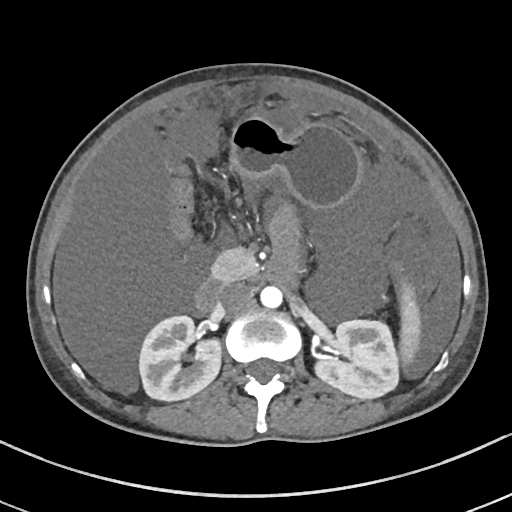

CT, abdomen/pelvis. axial view. soft-tissue window. SOMATOM Force scanner
<organs><organ name="spleen" x1="390" y1="258" x2="421" y2="367"/><organ name="right kidney" x1="140" y1="317" x2="221" y2="401"/><organ name="left kidney" x1="313" y1="320" x2="397" y2="398"/><organ name="liver" x1="100" y1="308" x2="105" y2="323"/><organ name="stomach" x1="228" y1="115" x2="363" y2="210"/><organ name="aorta" x1="260" y1="286" x2="282" y2="308"/><organ name="inferior vena cava" x1="218" y1="284" x2="248" y2="309"/><organ name="pancreas" x1="210" y1="247" x2="258" y2="283"/><organ name="duodenum" x1="195" y1="278" x2="225" y2="312"/></organs>